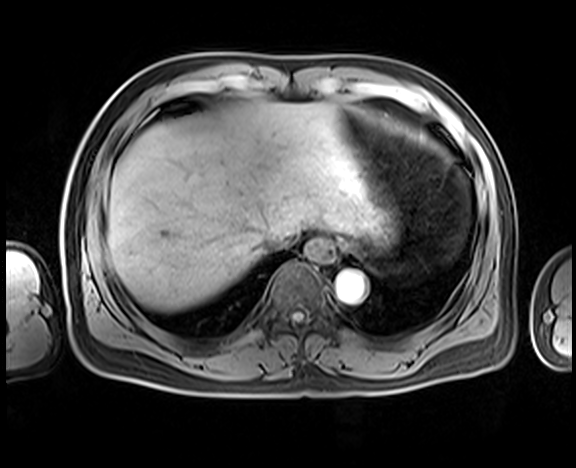 Abdominal MRI · axial view · percentile-normalized · scan has 13 labeled organs (a whole-scan count: organs this slice does not pass through have no box)
Organ boxes in pixel coordinates; each row gives the top-left (x1, y1) and bottom-right (x2, y2) corners.
| organ | x1 | y1 | x2 | y2 |
|---|---|---|---|---|
| stomach | 367 | 215 | 395 | 250 |
| liver | 108 | 102 | 382 | 310 |
| esophagus | 301 | 237 | 338 | 263 |
| inferior vena cava | 259 | 229 | 298 | 252 |
| aorta | 336 | 271 | 365 | 302 |